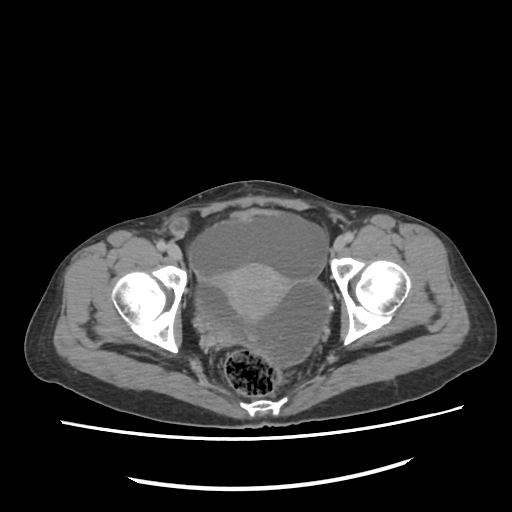

CT abdomen — axial view — soft-tissue window — 39-year-old female patient
Each box given as x1,y1,x2,y2.
prostate/uterus: x1=225, y1=262, x2=286, y2=316